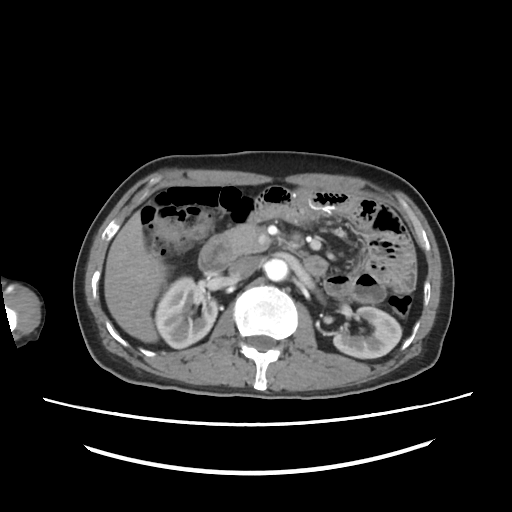

Computed tomography, abdomen — axial view — abdomen soft-tissue window — 512x512 px — acquired on Aquilion ONE
{"organs":{"right kidney":[156,277,216,348],"left kidney":[334,306,401,357],"liver":[104,214,166,342],"aorta":[265,258,288,281],"inferior vena cava":[230,256,260,279],"pancreas":[228,223,268,257],"duodenum":[199,229,328,275]}}